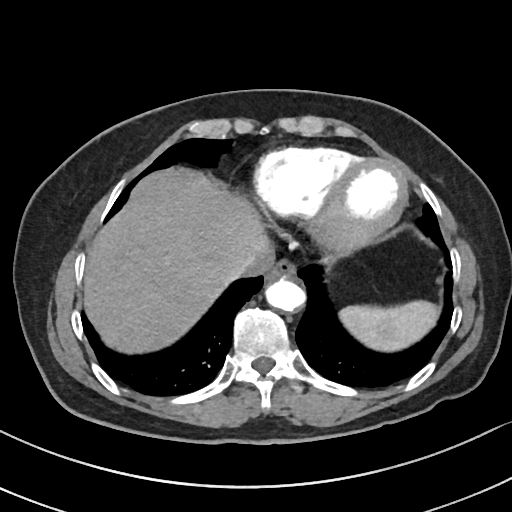
CT, abdomen/pelvis · axial plane, index 194 · 15 organs annotated in this scan (that count is for the whole scan; organs this slice misses have no box)
{"organs":{"spleen":[338,300,437,351],"esophagus":[265,261,295,282],"liver":[85,171,267,350],"aorta":[265,278,307,312],"inferior vena cava":[220,243,275,280]}}